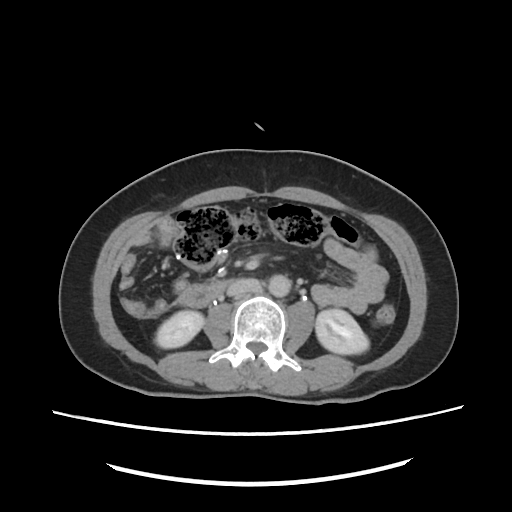
Abdominal CT; Axial slice 52/85; W/L 400/40 HU
Boxes: x1 y1 x2 y2 (pixel coords, space-separated).
right kidney: 153 311 204 348
left kidney: 314 309 369 354
aorta: 268 275 290 297
inferior vena cava: 226 278 259 297
duodenum: 176 280 227 308